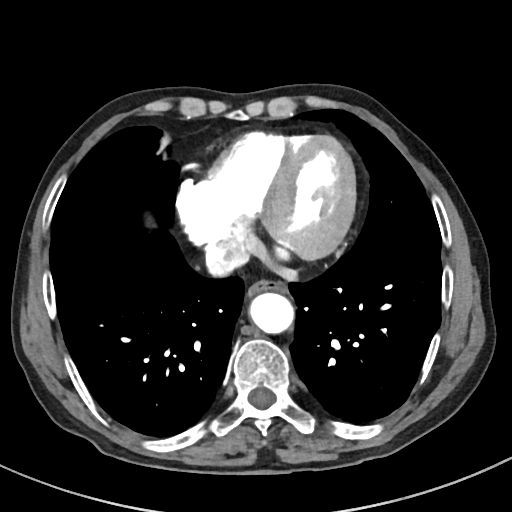
Abdominal CT; this slice is in the lower chest, just above the liver — axial plane, index 214
The heart and lungs are never labeled in this dataset, so they have no box on this slice.
{"organs":{"esophagus":[247,280,288,297],"aorta":[249,293,293,333],"inferior vena cava":[205,241,247,276]}}